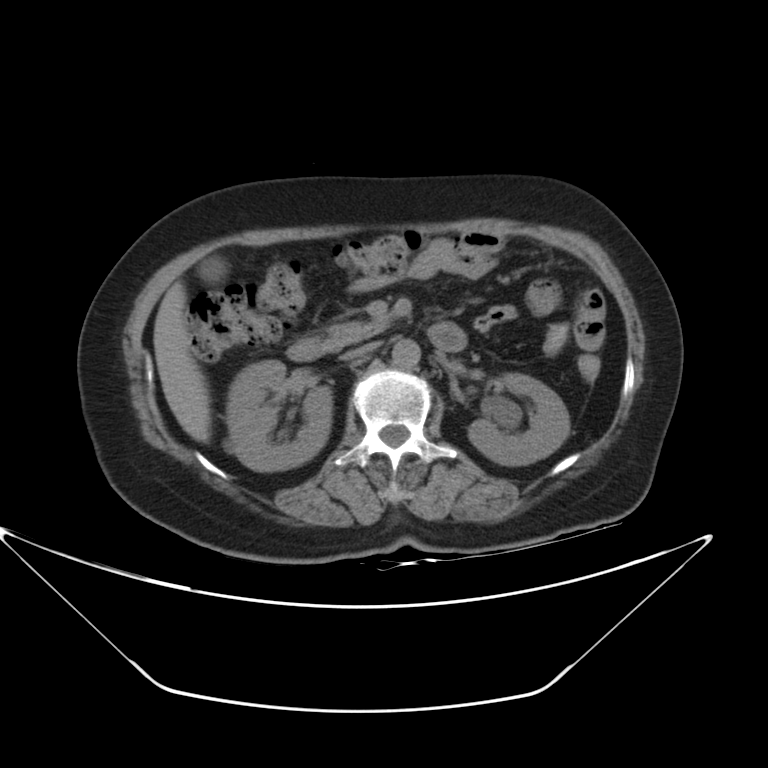 Computed tomography, abdomen · Axial slice 62/97 · 768x768 px
Organ boxes in pixel coordinates; each row gives the top-left (x1, y1) and bottom-right (x2, y2) corners.
| organ | x1 | y1 | x2 | y2 |
|---|---|---|---|---|
| right kidney | 226 | 360 | 332 | 471 |
| left kidney | 468 | 373 | 569 | 465 |
| gall bladder | 199 | 256 | 227 | 282 |
| liver | 154 | 282 | 211 | 442 |
| aorta | 392 | 340 | 419 | 368 |
| inferior vena cava | 342 | 341 | 378 | 360 |
| pancreas | 325 | 319 | 388 | 349 |
| duodenum | 286 | 322 | 467 | 361 |